Computed tomography, abdomen · axial view · soft-tissue window (W 400 / L 40) · Aquilion ONE scanner · 15 organs annotated in this scan (that count is for the whole scan; organs this slice misses have no box)
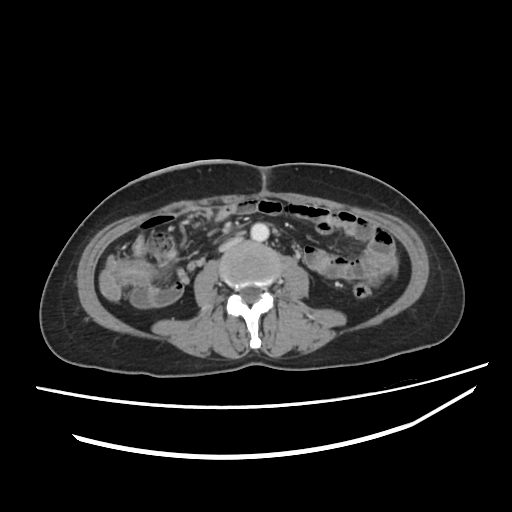
{"organs":{"aorta":[250,223,269,241],"inferior vena cava":[219,235,243,251]}}